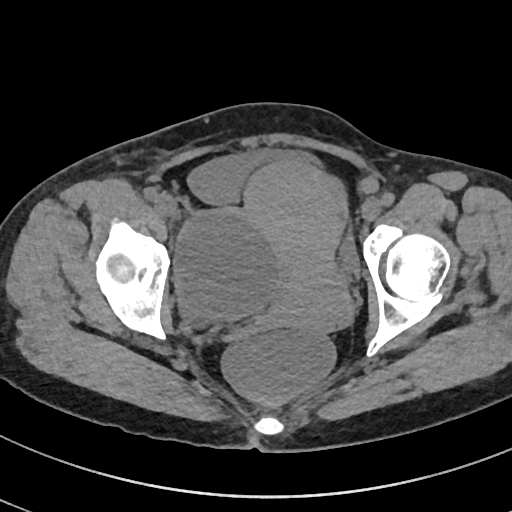

CT abdomen; axial view; 512x512 px; SOMATOM Force scanner
Organ boxes in pixel coordinates; each row gives the top-left (x1, y1) and bottom-right (x2, y2) corners.
| organ | x1 | y1 | x2 | y2 |
|---|---|---|---|---|
| prostate/uterus | 241 | 161 | 353 | 329 |
| bladder | 189 | 148 | 360 | 276 |